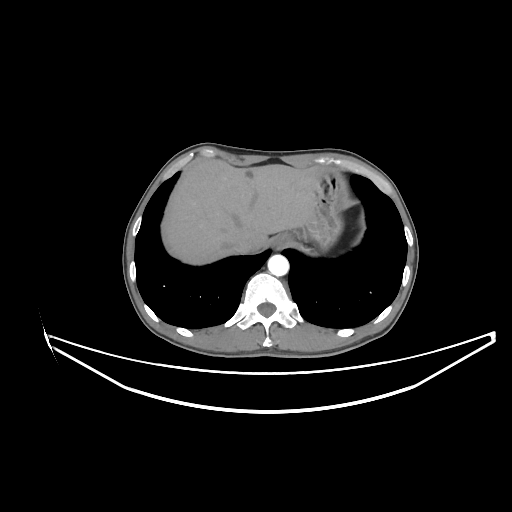
CT, abdomen/pelvis. axial view. soft-tissue window (W 400 / L 40). 512x512 px. 52-year-old male patient
<organs><organ name="esophagus" x1="271" y1="233" x2="291" y2="249"/><organ name="liver" x1="165" y1="159" x2="325" y2="265"/><organ name="stomach" x1="297" y1="171" x2="342" y2="250"/><organ name="aorta" x1="267" y1="254" x2="288" y2="276"/><organ name="inferior vena cava" x1="233" y1="236" x2="253" y2="253"/></organs>